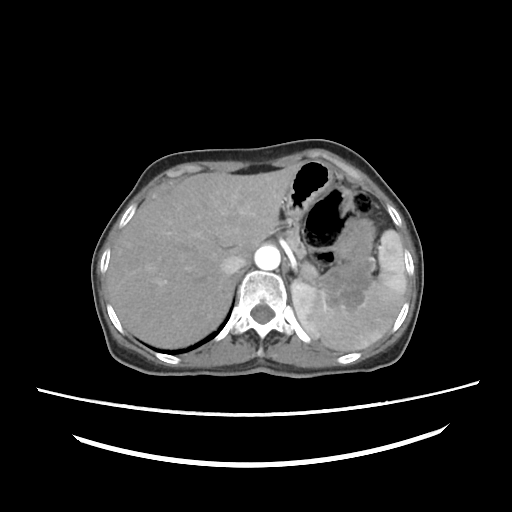 CT abdomen; axial view; soft-tissue window; 512x512 px; Aquilion ONE scanner
{"organs":{"spleen":[290,228,407,352],"liver":[107,167,294,346],"stomach":[282,161,373,311],"aorta":[255,245,279,269],"inferior vena cava":[220,253,246,273],"pancreas":[285,230,306,258]}}